CT, abdomen/pelvis; axial view; abdomen soft-tissue window; 58-year-old male patient
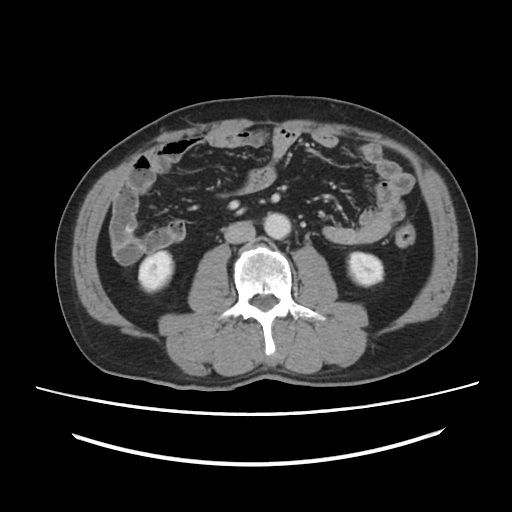
{"organs":{"left kidney":[348,252,383,285],"inferior vena cava":[224,221,255,243],"right kidney":[139,251,173,291],"aorta":[264,213,290,239]}}